CT, abdomen/pelvis. Axial slice 175/191
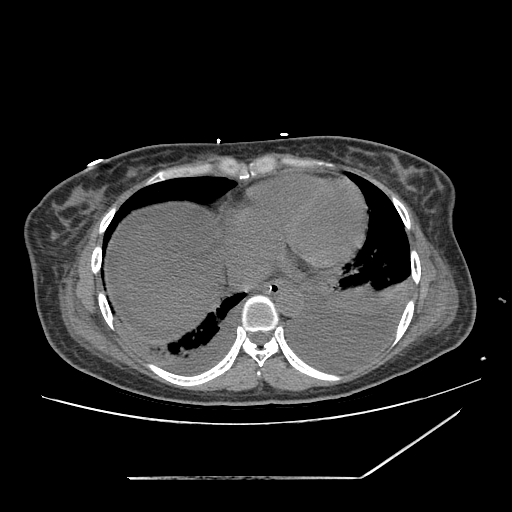
Coordinates as <box>x1,y1,x2,y2</box> in pixels.
Organ bounding boxes:
- esophagus: <box>258,279,290,295</box>
- liver: <box>119,211,224,330</box>
- aorta: <box>276,287,302,316</box>
- inferior vena cava: <box>227,258,268,290</box>